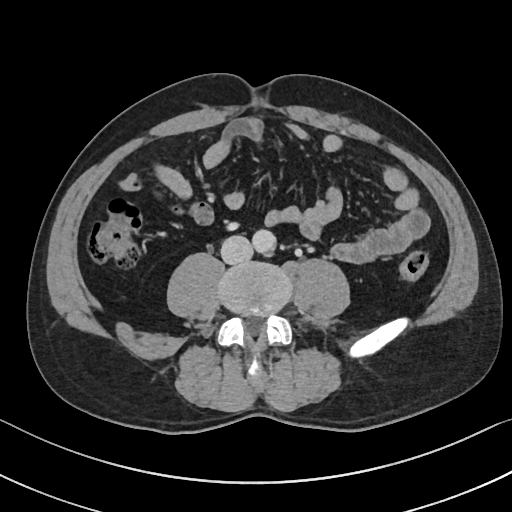 Computed tomography, abdomen; axial view; soft-tissue window (W 400 / L 40); 512x512 px
Each box given as x1,y1,x2,y2.
Organ bounding boxes:
- inferior vena cava: x1=220, y1=234, x2=253, y2=264
- aorta: x1=252, y1=229, x2=275, y2=252